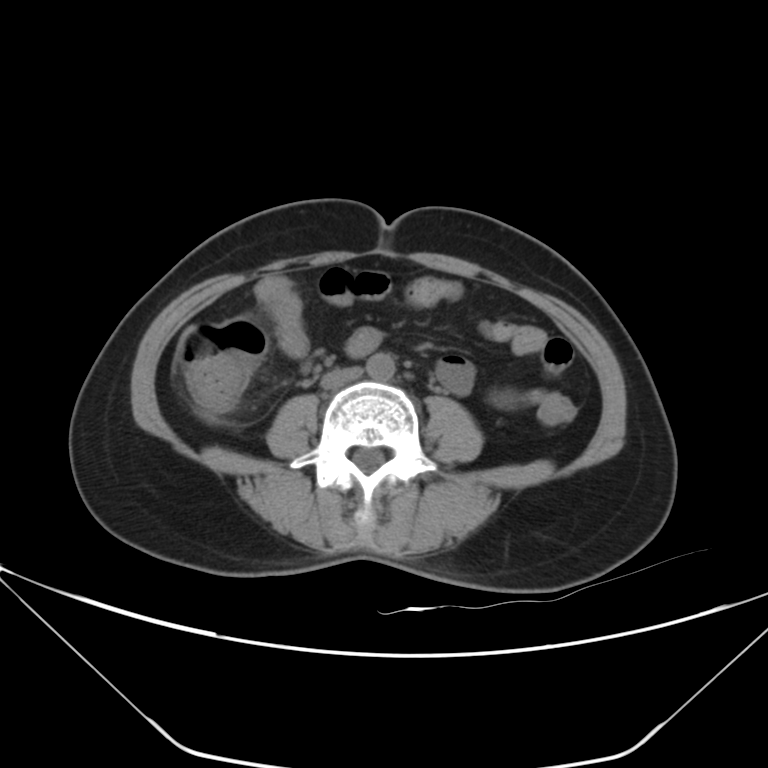

Computed tomography, abdomen · axial view · 768x768 px · Brilliance16 scanner · scan has 15 labeled organs (counted over the whole 3D scan, not this slice; an organ is boxed only where this slice passes through it)
{"organs":{"aorta":[367,353,394,380],"inferior vena cava":[321,367,363,389]}}